Abdominal CT. axial view. soft-tissue window. 768x768 px
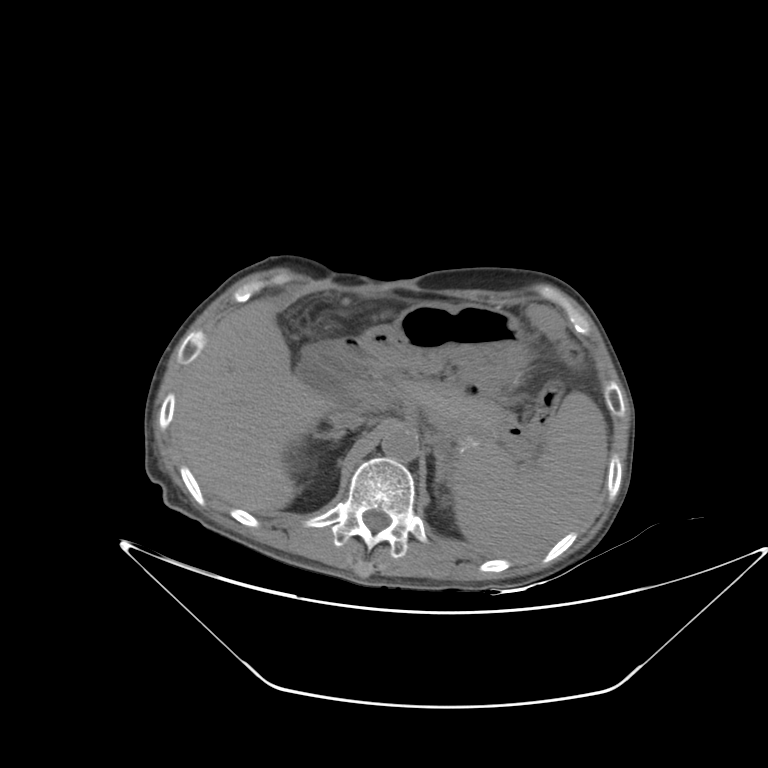 Coordinates as <box>x1,y1,x2,y2</box> in pixels.
Organ bounding boxes:
- spleen: <box>451,392,607,557</box>
- liver: <box>171,298,337,513</box>
- stomach: <box>358,302,531,396</box>
- aorta: <box>381,427,418,461</box>
- inferior vena cava: <box>327,410,364,430</box>
- pancreas: <box>409,382,510,434</box>
- right adrenal gland: <box>312,430,344,442</box>
- left adrenal gland: <box>435,451,444,483</box>
- duodenum: <box>301,338,373,385</box>